CT of the abdomen reaching into the lower chest, slice just above the liver and spleen — Axial slice 205/280
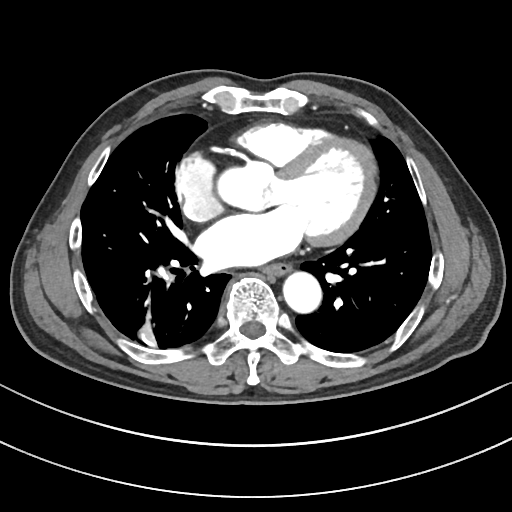
Of the structures in the chest, this dataset labels only the esophagus, the aorta and the inferior vena cava; the heart and lungs have no label.
<organs><organ name="aorta" x1="218" y1="165" x2="264" y2="207"/><organ name="aorta" x1="282" y1="271" x2="320" y2="311"/><organ name="esophagus" x1="264" y1="263" x2="289" y2="275"/></organs>